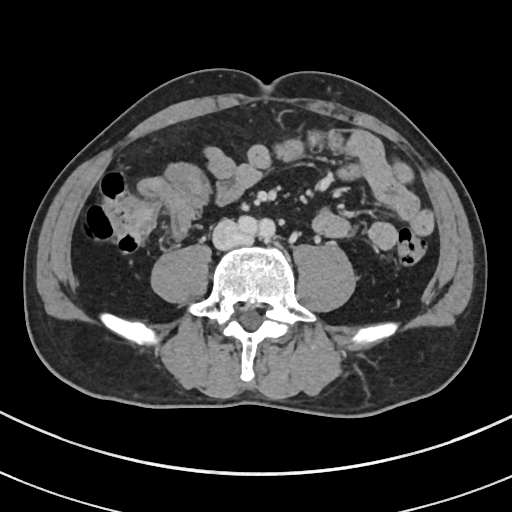 Abdominal CT; Axial slice 90/298; 512x512 px; acquired on SOMATOM Force
Boxes are (x1, y1, x2, y2) in pixels.
Organ bounding boxes:
- inferior vena cava: (212, 219, 253, 249)